Abdominal CT; axial plane, index 83; W/L 400/40 HU; acquired on Aquilion ONE; scan has 15 labeled organs (counted over the whole 3D scan, not this slice; an organ is boxed only where this slice passes through it)
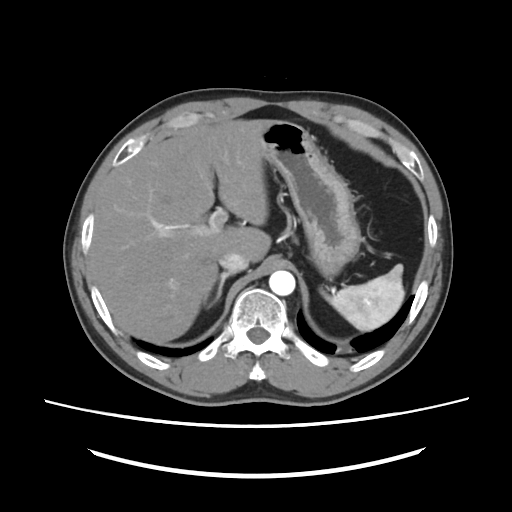 Boxes: x1 y1 x2 y2 (pixel coords, space-separated).
spleen: 326 264 404 333
liver: 91 119 271 342
stomach: 261 120 360 278
aorta: 269 270 295 295
inferior vena cava: 219 251 248 272
right adrenal gland: 201 272 234 308